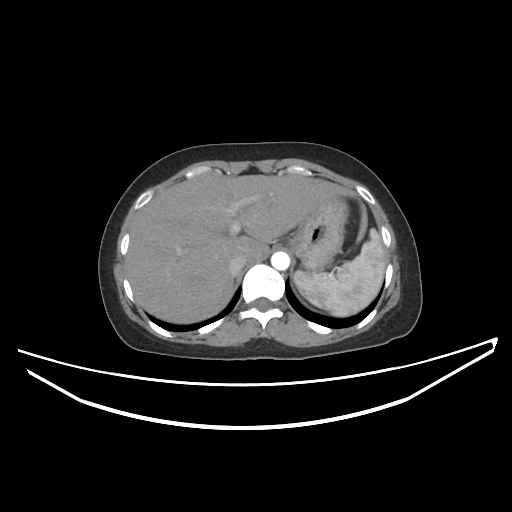 CT, abdomen/pelvis — axial view — 512x512 px — 37-year-old female patient — acquired on Aquilion ONE
Box edges are left/top/right/bottom in pixels.
spleen: left=294, top=228, right=385, bottom=316
liver: left=125, top=173, right=366, bottom=323
stomach: left=288, top=195, right=348, bottom=269
aorta: left=271, top=252, right=289, bottom=270
inferior vena cava: left=228, top=255, right=246, bottom=274